Computed tomography, abdomen. axial view. 768x768 px. 68-year-old male patient. acquired on Brilliance16
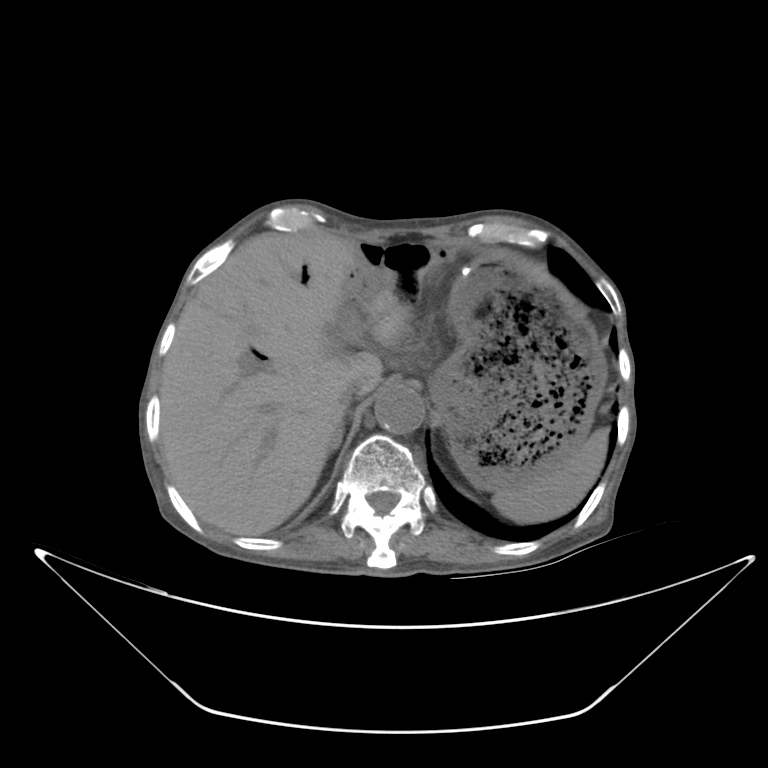

Coordinates as <box>x1,y1,x2,y2</box> in pixels. The annotated organs in this slice are: aorta at <box>375,385,423,433</box>, liver at <box>160,230,413,535</box>, spleen at <box>491,429,608,524</box>, stomach at <box>429,252,604,487</box>, right adrenal gland at <box>329,428,343,452</box>, inferior vena cava at <box>342,380,360,408</box>.